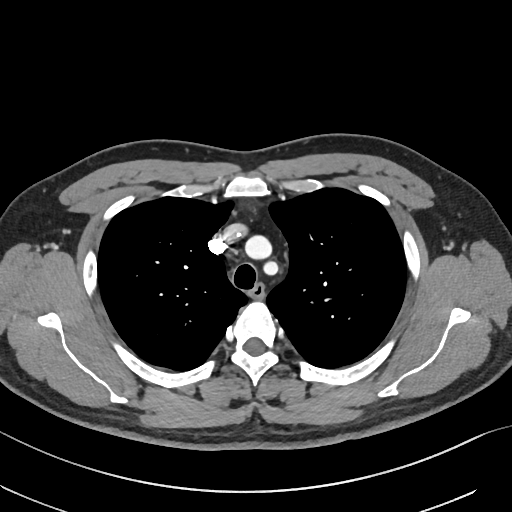 Chest-level slice from an abdominal CT that extends up into the chest. axial plane, index 272
On a slice this high in the chest, this dataset labels only the esophagus and the aorta, and each is boxed only where it is labeled; the heart, lungs and other chest structures are not labeled.
Boxes are (x1, y1, x2, y2) in pixels.
Organ bounding boxes:
- esophagus: (249, 283, 265, 297)